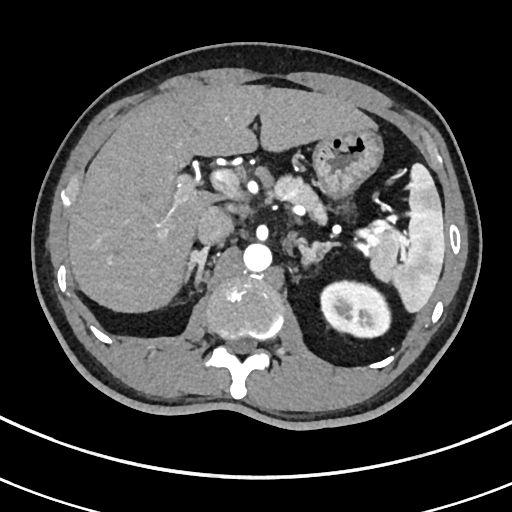 CT, abdomen/pelvis; axial view; W/L 400/40 HU; scan has 15 labeled organs (a whole-scan count: organs this slice does not pass through have no box)
<organs><organ name="spleen" x1="391" y1="163" x2="445" y2="312"/><organ name="left kidney" x1="320" y1="280" x2="390" y2="337"/><organ name="liver" x1="67" y1="84" x2="376" y2="312"/><organ name="stomach" x1="313" y1="130" x2="383" y2="199"/><organ name="aorta" x1="243" y1="243" x2="272" y2="272"/><organ name="inferior vena cava" x1="196" y1="206" x2="233" y2="245"/><organ name="pancreas" x1="273" y1="175" x2="399" y2="283"/><organ name="right adrenal gland" x1="182" y1="247" x2="209" y2="290"/><organ name="left adrenal gland" x1="299" y1="240" x2="337" y2="266"/></organs>